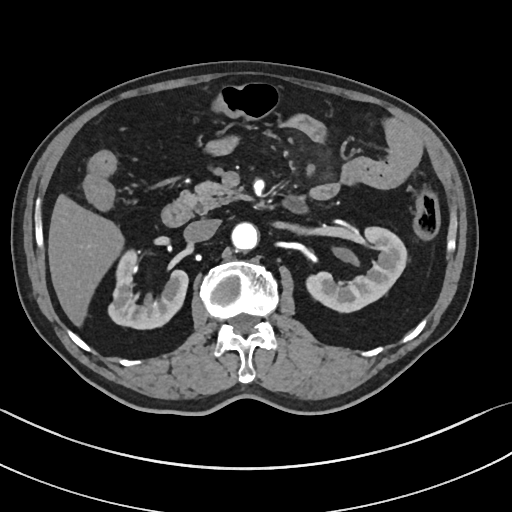

Abdominal CT; axial view; 512x512 px
<organs><organ name="right kidney" x1="109" y1="252" x2="188" y2="330"/><organ name="left kidney" x1="306" y1="226" x2="405" y2="313"/><organ name="inferior vena cava" x1="183" y1="219" x2="219" y2="241"/><organ name="liver" x1="48" y1="193" x2="122" y2="328"/><organ name="aorta" x1="231" y1="223" x2="258" y2="251"/><organ name="duodenum" x1="162" y1="198" x2="305" y2="227"/><organ name="pancreas" x1="181" y1="179" x2="248" y2="213"/></organs>